Abdominal CT — axial plane, index 74 — soft-tissue window — 768x768 px — 50-year-old male patient
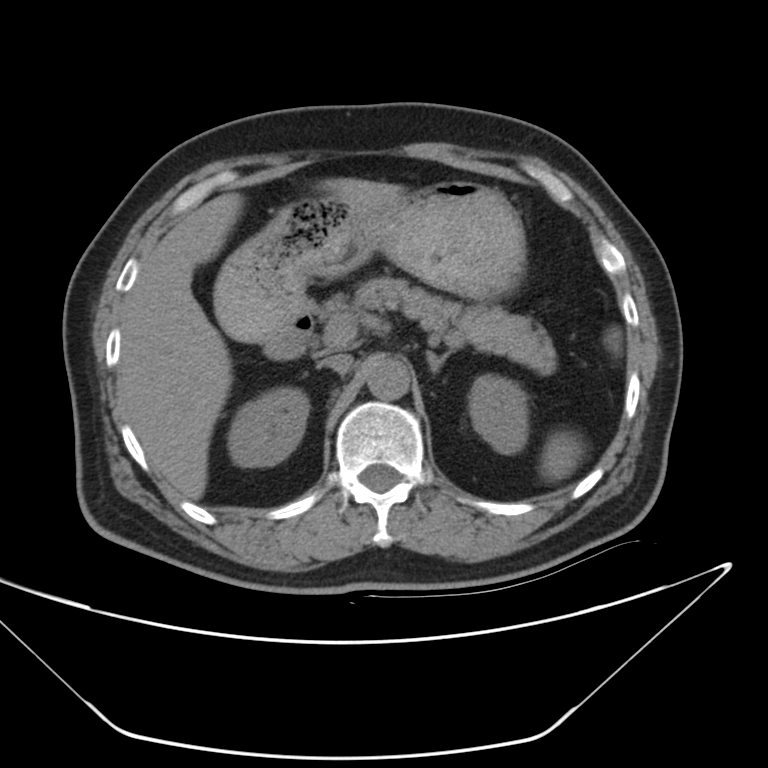 <organs><organ name="spleen" x1="544" y1="328" x2="620" y2="479"/><organ name="right kidney" x1="230" y1="389" x2="310" y2="467"/><organ name="left kidney" x1="469" y1="373" x2="528" y2="450"/><organ name="liver" x1="117" y1="179" x2="402" y2="499"/><organ name="stomach" x1="217" y1="179" x2="526" y2="342"/><organ name="aorta" x1="366" y1="357" x2="408" y2="398"/><organ name="inferior vena cava" x1="329" y1="354" x2="353" y2="374"/><organ name="pancreas" x1="314" y1="276" x2="556" y2="373"/><organ name="left adrenal gland" x1="426" y1="350" x2="452" y2="372"/><organ name="duodenum" x1="261" y1="311" x2="311" y2="359"/></organs>